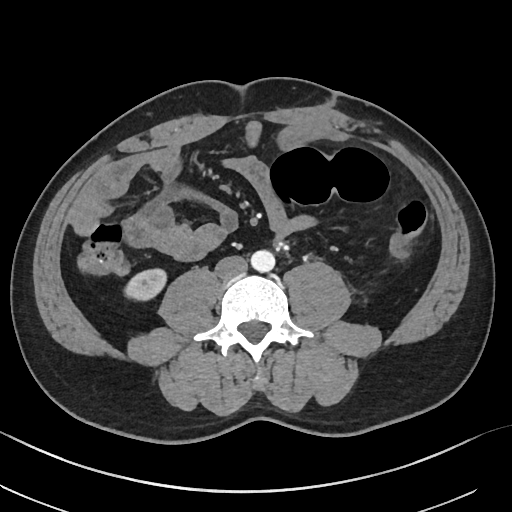

Computed tomography, abdomen; axial view
Boxes: x1:y1:x2:y2 in pixels.
Organ bounding boxes:
- right kidney: 124:268:166:300
- aorta: 250:250:275:272
- inferior vena cava: 215:255:247:280